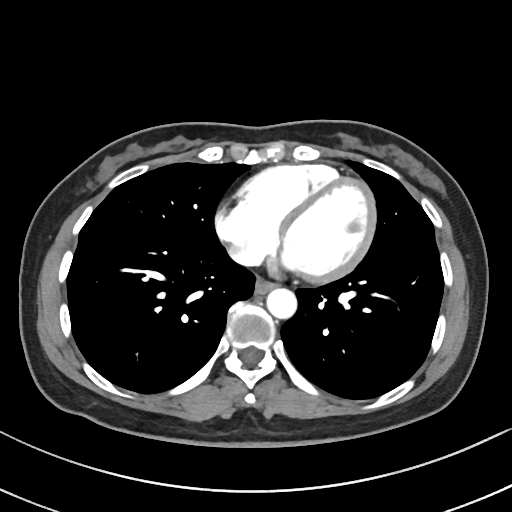 CT of the abdomen reaching into the lower chest, slice just above the liver and spleen; Axial slice 232/242; 15 organs annotated in this scan (that count is for the whole scan; organs this slice misses have no box)
Of the structures in the chest, this dataset labels only the esophagus, the aorta and the inferior vena cava; the heart and lungs have no label.
Boxes: x1 y1 x2 y2 (pixel coords, space-separated).
Organ bounding boxes:
- aorta: 266 287 296 318
- inferior vena cava: 228 245 258 265
- esophagus: 255 278 274 293